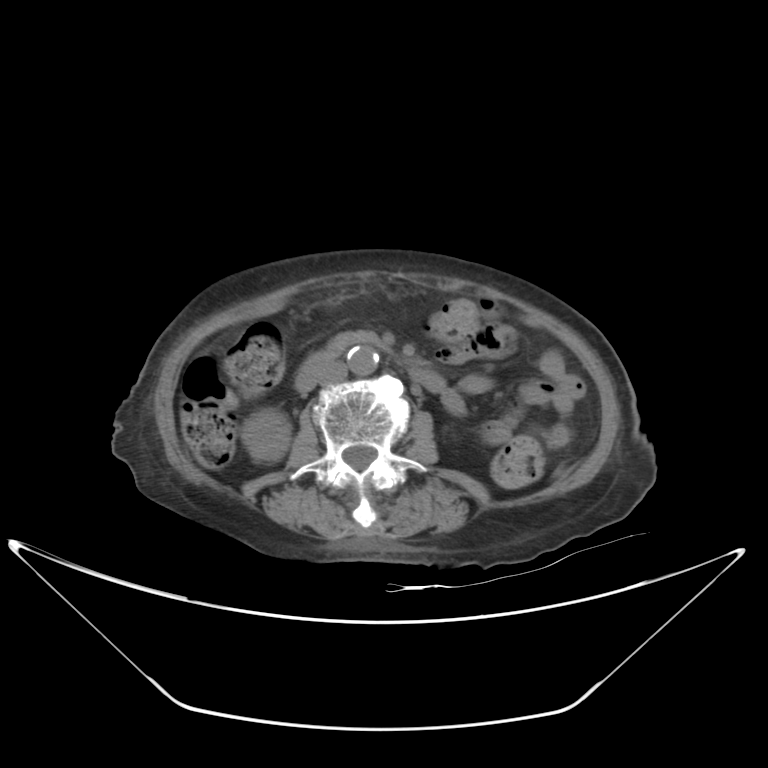
CT, abdomen/pelvis · Axial slice 48/79 · 768x768 px · female patient aged 90 or older · scan has 15 labeled organs (counted over the whole 3D scan, not this slice; an organ is boxed only where this slice passes through it)
<organs><organ name="right kidney" x1="242" y1="407" x2="290" y2="463"/><organ name="aorta" x1="347" y1="345" x2="379" y2="375"/><organ name="inferior vena cava" x1="318" y1="361" x2="347" y2="384"/><organ name="pancreas" x1="327" y1="331" x2="380" y2="354"/><organ name="duodenum" x1="294" y1="343" x2="443" y2="393"/></organs>